CT, abdomen/pelvis · axial view · W/L 400/40 HU
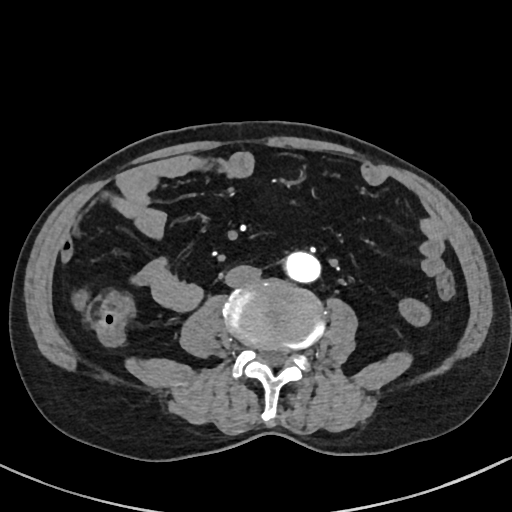
Coordinates as <box>x1,y1,x2,y2</box> in pixels. 2 labeled organs on this slice — aorta at <box>281,251,318,282</box>; inferior vena cava at <box>225,264,261,287</box>.